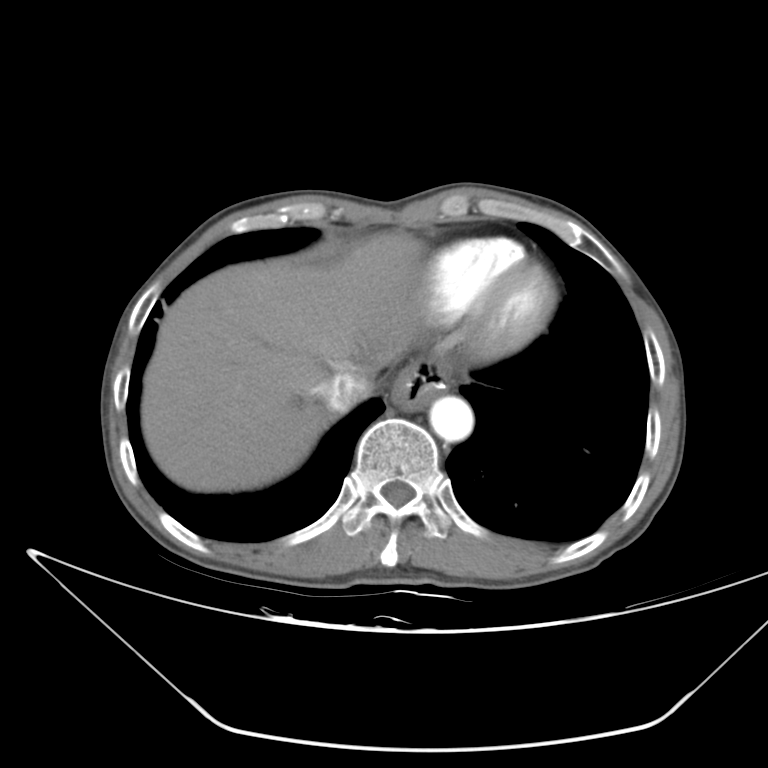 Abdominal CT — axial plane, index 54 — acquired on Brilliance16 — 13 organs annotated in this scan (a whole-scan count: organs this slice does not pass through have no box)
Boxes: x1:y1:x2:y2 in pixels.
stomach: 391:359:449:411
inferior vena cava: 325:371:374:412
aorta: 429:396:473:441
liver: 141:231:425:492